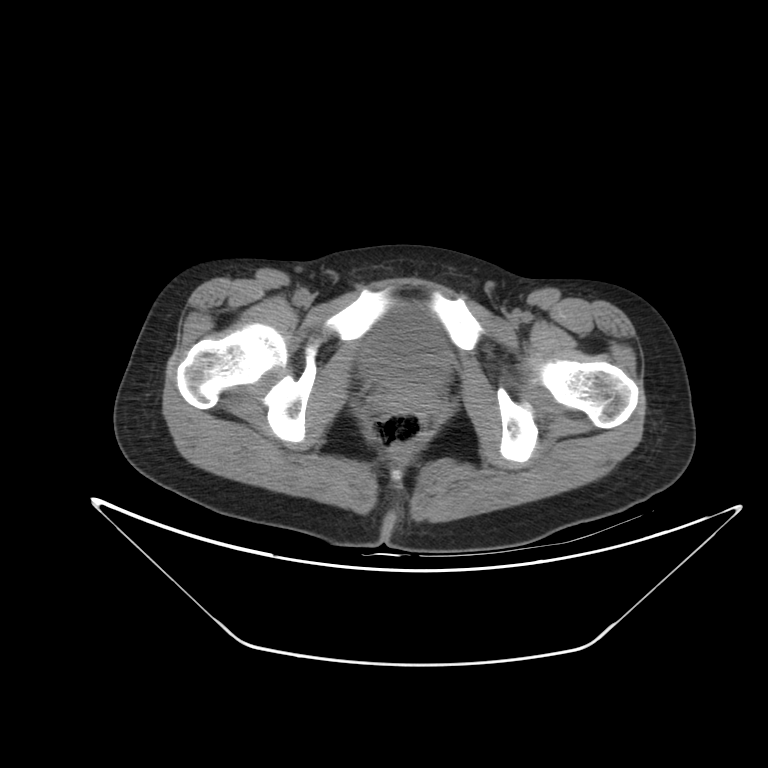
Abdominal CT. Axial slice 13/83. 768x768 px. acquired on Brilliance16
One row per box, in pixels: columns x1 and y1 give the top-left corner, x2 and y2 the bottom-right.
| organ | x1 | y1 | x2 | y2 |
|---|---|---|---|---|
| bladder | 359 | 304 | 450 | 385 |